CT, abdomen/pelvis — axial plane, index 6 — soft-tissue window — 512x512 px — 15 organs annotated in this scan (that count is for the whole scan; organs this slice misses have no box)
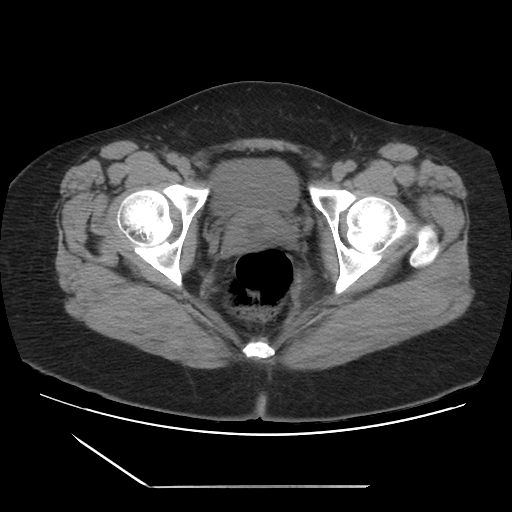

Boxes are (x1, y1, x2, y2) in pixels.
bladder: (211, 159, 298, 215)
prostate/uterus: (225, 209, 288, 248)